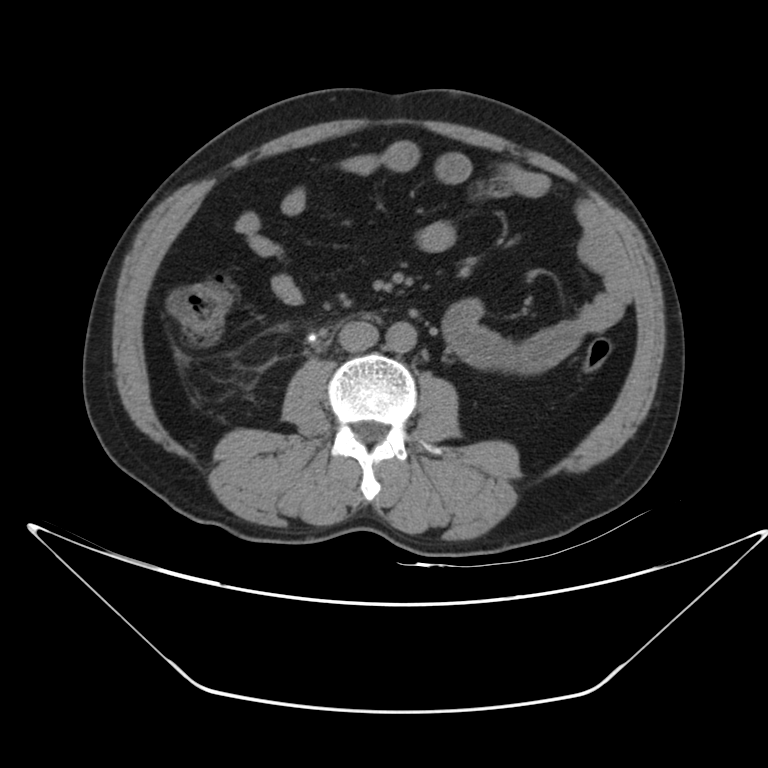
Computed tomography, abdomen · Axial slice 52/87 · W/L 400/40 HU · 45-year-old male patient
{"organs":{"aorta":[385,321,416,352],"inferior vena cava":[338,321,379,351]}}